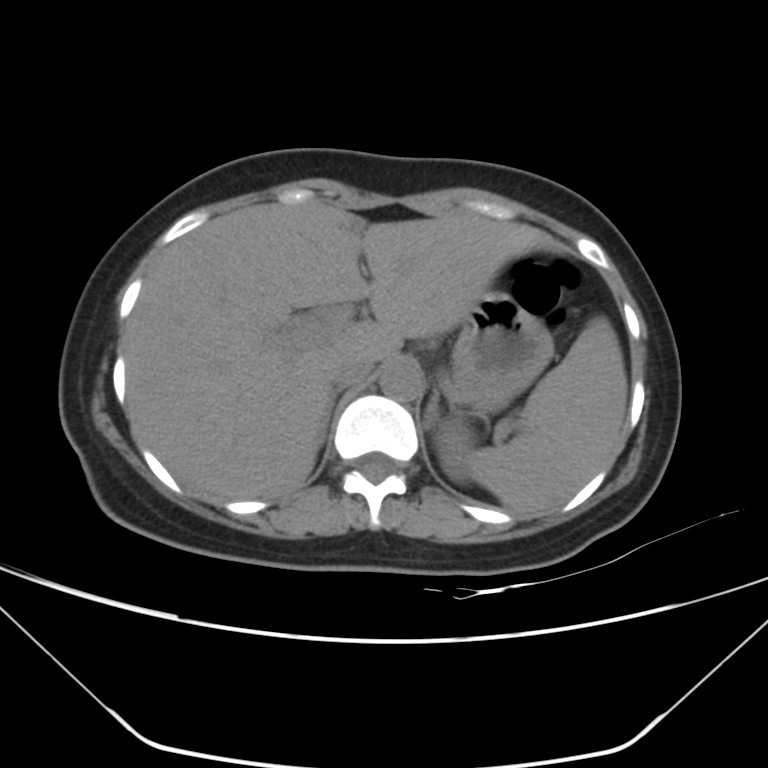

Computed tomography, abdomen · axial plane, index 69 · soft-tissue window (W 400 / L 40) · 768x768 px
Box edges are left/top/right/bottom in pixels. 8 labeled organs on this slice — left kidney at left=433, top=421, right=473, bottom=481; left adrenal gland at left=425, top=389, right=439, bottom=430; stomach at left=445, top=291, right=554, bottom=412; liver at left=125, top=200, right=552, bottom=498; right adrenal gland at left=320, top=416, right=327, bottom=442; inferior vena cava at left=330, top=355, right=375, bottom=388; aorta at left=379, top=362, right=422, bottom=402; spleen at left=470, top=316, right=627, bottom=513.